CT abdomen · axial view · scan has 15 labeled organs (that count is for the whole scan; organs this slice misses have no box)
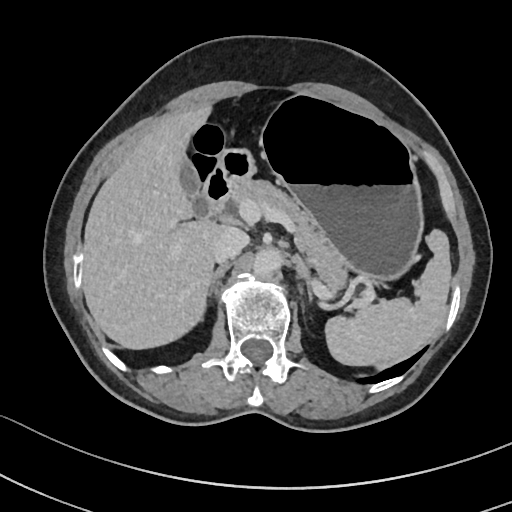

Bounding boxes as [x1, y1, x2, y2] in pixel coordinates.
Organ bounding boxes:
- spleen: [325, 230, 451, 365]
- gall bladder: [180, 161, 207, 216]
- liver: [82, 107, 222, 349]
- stomach: [218, 95, 423, 282]
- aorta: [253, 248, 283, 277]
- inferior vena cava: [212, 226, 249, 263]
- pancreas: [230, 178, 347, 291]
- right adrenal gland: [208, 263, 229, 296]
- left adrenal gland: [296, 259, 313, 301]
- duodenum: [202, 149, 256, 216]